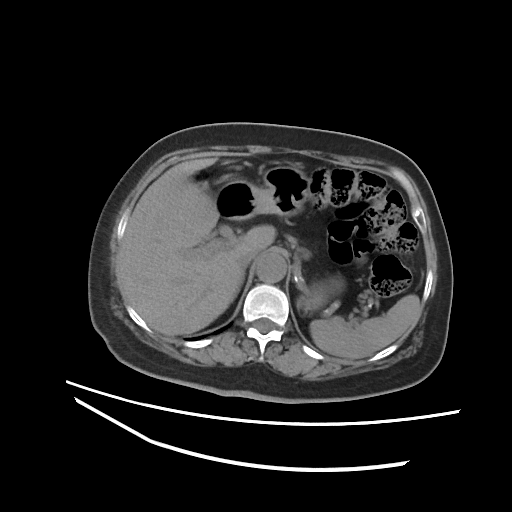
Abdominal CT; axial view; W/L 400/40 HU; 512x512 px
{"organs":{"spleen":[310,294,420,358],"liver":[117,158,275,335],"stomach":[215,165,321,311],"aorta":[256,253,286,282],"inferior vena cava":[236,248,258,269],"right adrenal gland":[237,277,243,293]}}